CT, abdomen/pelvis · Axial slice 30/133 · acquired on Aquilion ONE · scan has 15 labeled organs (that count is for the whole scan; organs this slice misses have no box)
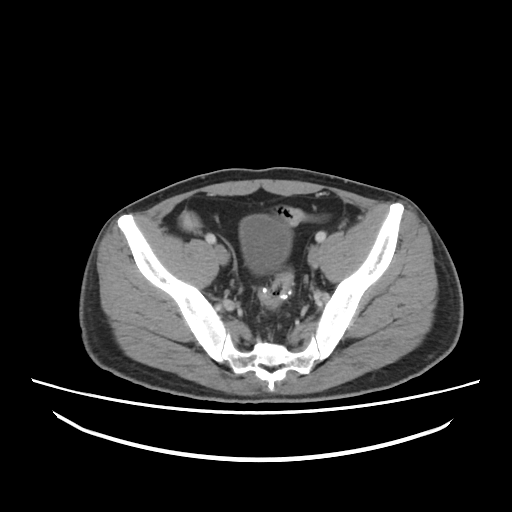
Organ boxes in pixel coordinates; each row gives the top-left (x1, y1) and bottom-right (x2, y2) corners.
| organ | x1 | y1 | x2 | y2 |
|---|---|---|---|---|
| bladder | 239 | 215 | 291 | 273 |